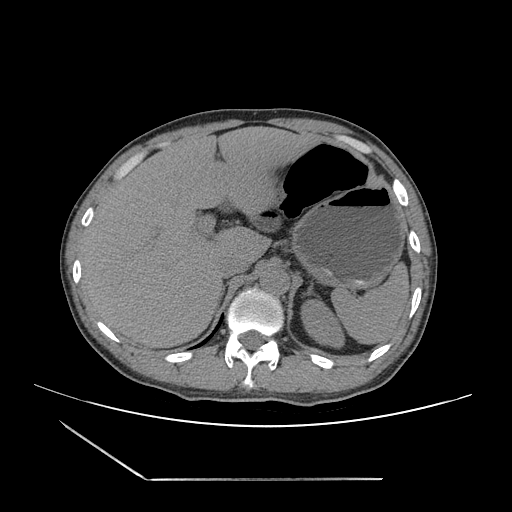
Computed tomography, abdomen — axial view
Boxes: x1:y1:x2:y2 in pixels.
Organ bounding boxes:
- spleen: 331:262:409:344
- left kidney: 301:300:344:347
- liver: 80:126:319:347
- stomach: 291:184:405:289
- aorta: 259:266:289:294
- inferior vena cava: 216:254:249:277
- right adrenal gland: 222:288:223:294
- left adrenal gland: 304:283:315:295